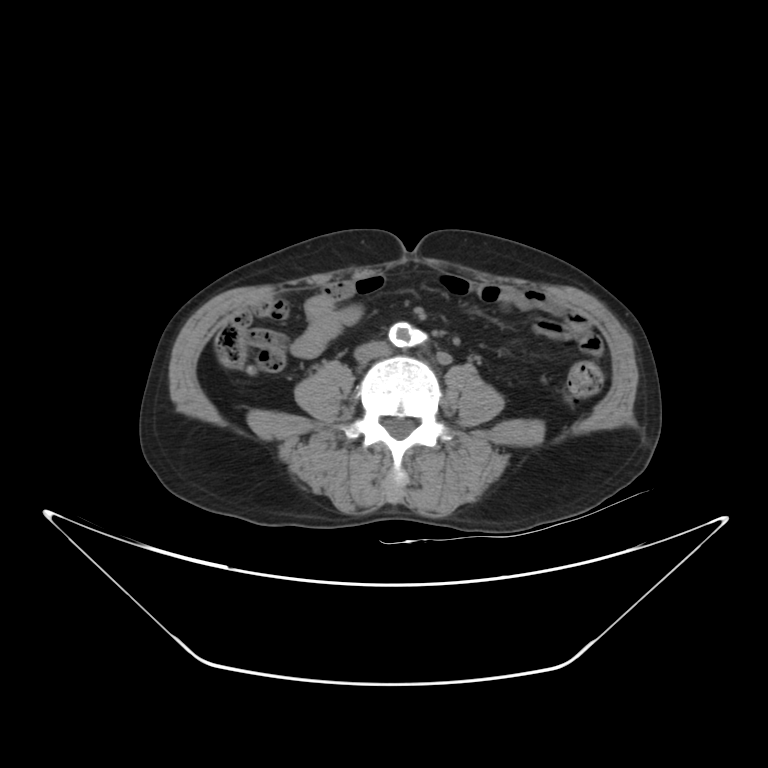 CT, abdomen/pelvis · axial view · soft-tissue window · 768x768 px · 59-year-old male patient
One row per box, in pixels: columns x1 and y1 give the top-left corner, x2 and y2 the bottom-right.
| organ | x1 | y1 | x2 | y2 |
|---|---|---|---|---|
| inferior vena cava | 356 | 342 | 388 | 360 |